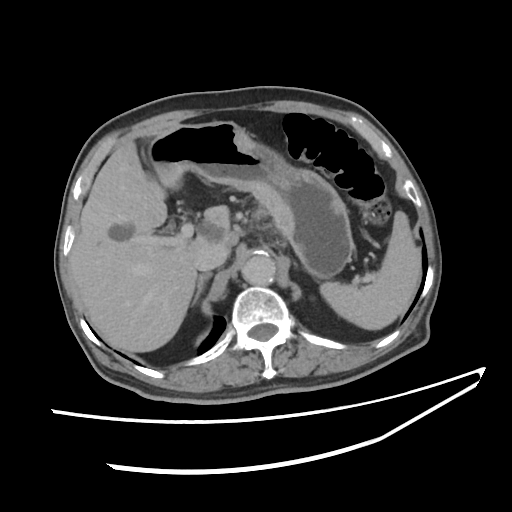
CT, abdomen/pelvis · axial view · W/L 400/40 HU
{"organs":{"spleen":[320,211,417,329],"liver":[69,121,264,352],"stomach":[146,121,353,281],"aorta":[241,257,277,285],"inferior vena cava":[193,244,227,270],"right adrenal gland":[193,273,211,304]}}